Abdominal CT; axial view; soft-tissue window (W 400 / L 40)
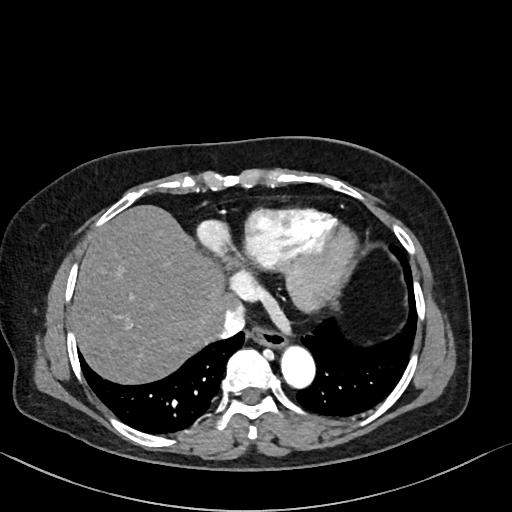 <organs><organ name="esophagus" x1="249" y1="323" x2="285" y2="346"/><organ name="liver" x1="72" y1="204" x2="235" y2="385"/><organ name="aorta" x1="280" y1="344" x2="314" y2="388"/><organ name="inferior vena cava" x1="205" y1="299" x2="244" y2="340"/></organs>